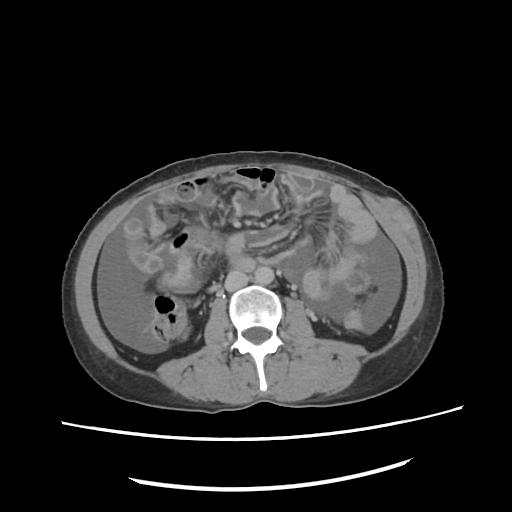

Computed tomography, abdomen — axial view — 39-year-old female patient
{"organs":{"aorta":[255,267,275,285],"inferior vena cava":[224,271,248,291]}}